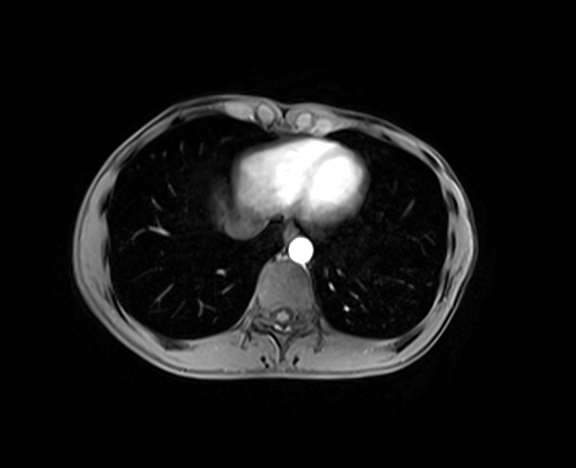
Abdominal MRI; this slice is in the lower chest, just above the liver · axial view · 576x468 px · scan has 13 labeled organs (a whole-scan count: organs this slice does not pass through have no box)
The heart and lungs are never labeled in this dataset, so they have no box on this slice.
{"organs":{"inferior vena cava":[225,213,262,237],"esophagus":[284,225,296,238],"aorta":[288,237,312,263]}}